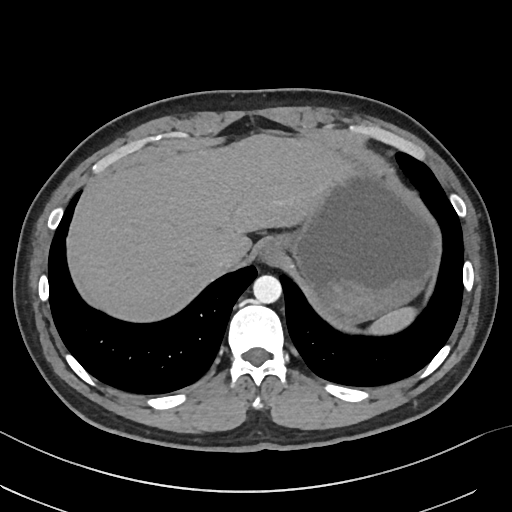 Computed tomography, abdomen. Axial slice 189/307. soft-tissue window. 512x512 px
Boxes: x1 y1 x2 y2 (pixel coords, space-separated). Labeled organs on this slice: spleen at 367 307 416 334, esophagus at 257 237 283 265, liver at 72 133 347 322, stomach at 276 157 439 323, aorta at 253 275 281 303, inferior vena cava at 212 247 241 271.